Computed tomography, abdomen. axial view. soft-tissue window. 15 organs annotated in this scan (that count is for the whole scan; organs this slice misses have no box)
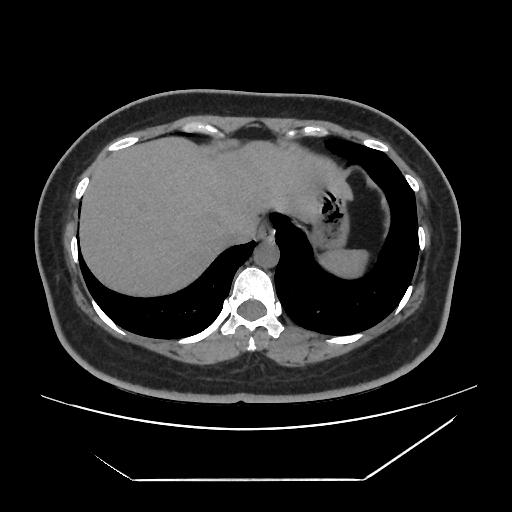 {"organs":{"spleen":[320,249,368,276],"esophagus":[258,222,274,240],"liver":[79,136,354,297],"stomach":[308,183,347,250],"aorta":[254,241,279,267],"inferior vena cava":[221,219,258,245]}}